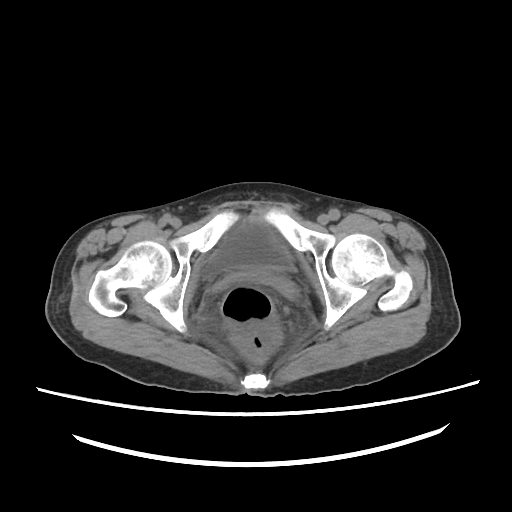
Computed tomography, abdomen; axial view; acquired on Aquilion ONE
{"organs":{"bladder":[201,220,296,278]}}